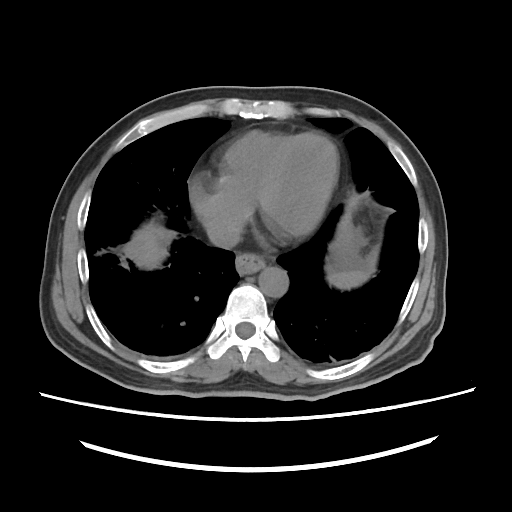 CT, abdomen/pelvis · axial view · W/L 400/40 HU · 49-year-old male patient · acquired on Aquilion ONE
Boxes: x1:y1:x2:y2 in pixels.
liver: 124:222:174:269
esophagus: 235:253:265:274
spleen: 327:251:376:288
inferior vena cava: 207:224:240:248
aorta: 258:267:288:297
stomach: 331:219:355:263